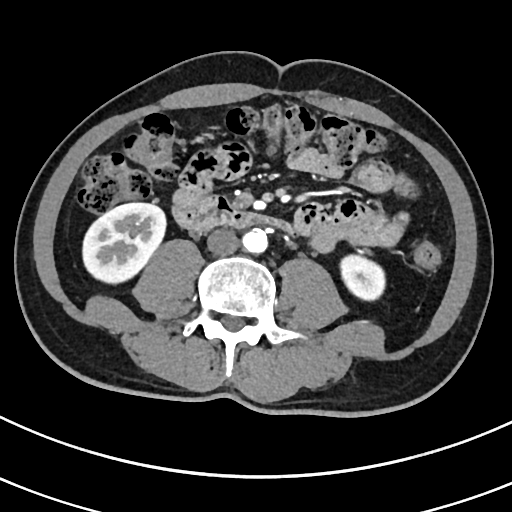
Computed tomography, abdomen — axial plane, index 107 — abdomen soft-tissue window — acquired on SOMATOM Force
Boxes are (x1, y1, x2, y2) in pixels. The annotated organs in this slice are: inferior vena cava at (206, 228, 238, 255), right kidney at (83, 202, 167, 282), duodenum at (171, 198, 291, 231), left kidney at (339, 253, 385, 302), aorta at (243, 228, 268, 254).